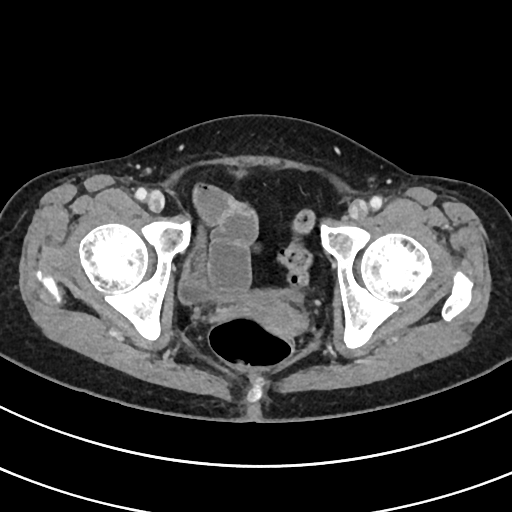 CT, abdomen/pelvis — axial view — abdomen soft-tissue window — 512x512 px — scan has 15 labeled organs (counted over the whole 3D scan, not this slice; an organ is boxed only where this slice passes through it)
{"organs":{"bladder":[178,227,301,304],"prostate/uterus":[230,296,308,336]}}